Abdominal CT — axial view — abdomen soft-tissue window — 768x768 px — 69-year-old male patient
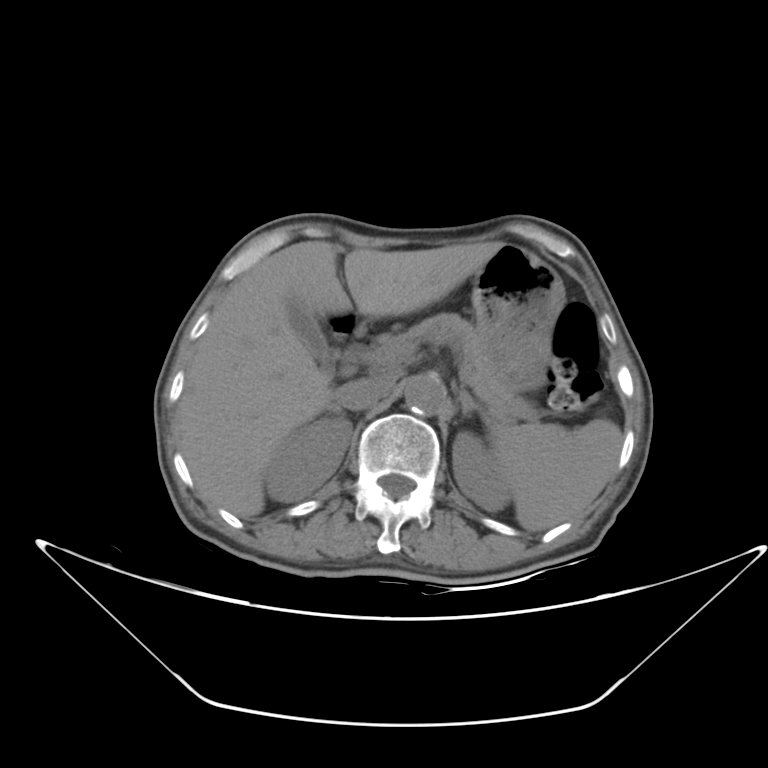 Bounding boxes as [x1, y1, x2, y2] in pixel coordinates.
Organ bounding boxes:
- spleen: [489, 419, 622, 531]
- right kidney: [267, 419, 350, 500]
- left kidney: [453, 429, 512, 512]
- gall bladder: [290, 302, 360, 380]
- liver: [175, 240, 501, 518]
- stomach: [473, 243, 561, 391]
- aorta: [404, 372, 445, 414]
- inferior vena cava: [337, 369, 402, 407]
- pancreas: [369, 313, 537, 420]
- left adrenal gland: [459, 390, 492, 431]
- duodenum: [338, 343, 368, 369]